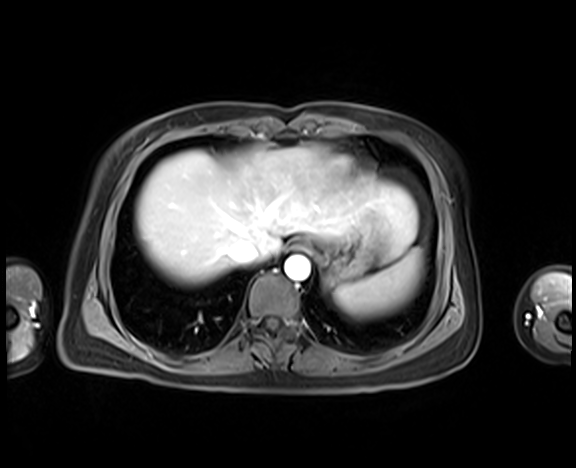
Magnetic resonance imaging, abdomen — axial view — 1st–99th percentile window — 576x468 px
Box edges are left/top/right/bottom in pixels. 6 labeled organs on this slice — esophagus at left=289, top=240, right=311, bottom=250; stomach at left=312, top=226, right=385, bottom=286; inferior vena cava at left=228, top=239, right=258, bottom=263; liver at left=136, top=146, right=417, bottom=284; aorta at left=284, top=255, right=310, bottom=280; spleen at left=334, top=249, right=422, bottom=317.